Chest-level slice from an abdominal CT that extends up into the chest; Axial slice 128/128; soft-tissue window; 61-year-old female patient; scan has 14 labeled organs (a whole-scan count: organs this slice does not pass through have no box)
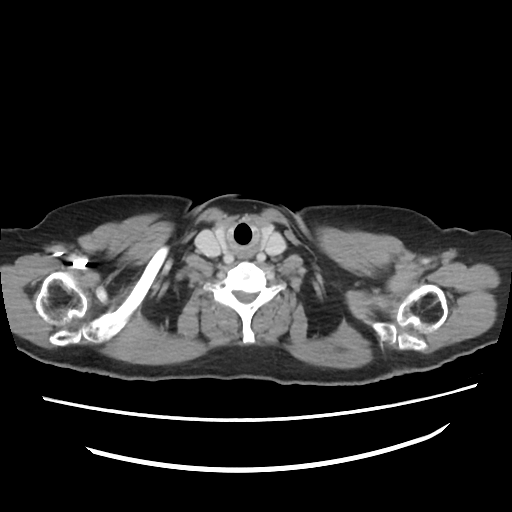 On a slice this high in the chest, this dataset labels only the esophagus and the aorta, and each is boxed only where it is labeled; the heart, lungs and other chest structures are not labeled.
{"organs":{"esophagus":[239,250,251,258]}}